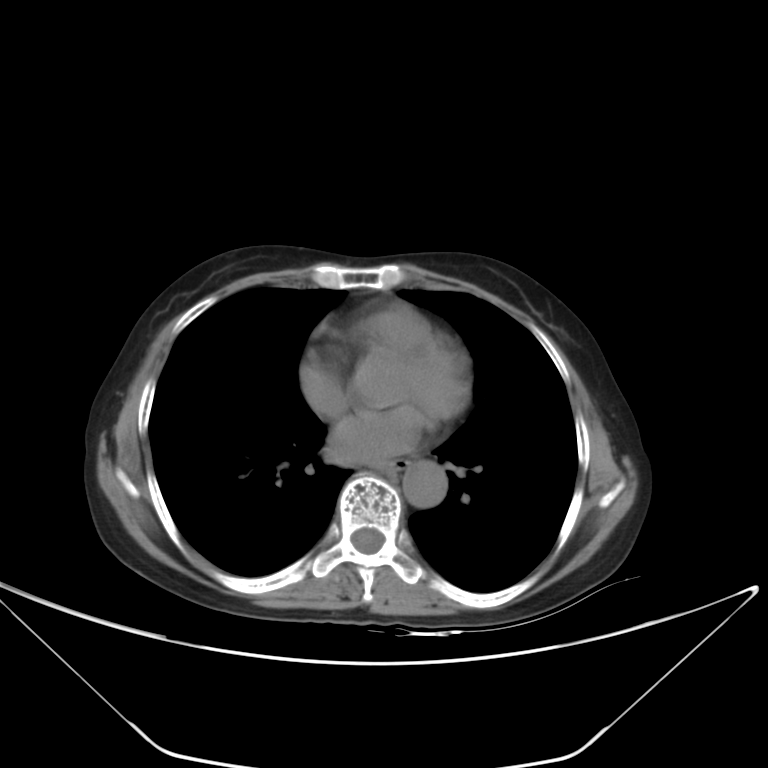 Abdominal CT; this slice is in the lower chest, just above the liver — axial plane, index 84 — W/L 400/40 HU — 768x768 px — 15 organs annotated in this scan (a whole-scan count: organs this slice does not pass through have no box)
No part of the heart or lungs is labeled in this dataset, so neither has a box here.
{"organs":{"esophagus":[383,459,410,471],"aorta":[402,461,446,508]}}